Computed tomography, abdomen; axial view; W/L 400/40 HU; 512x512 px
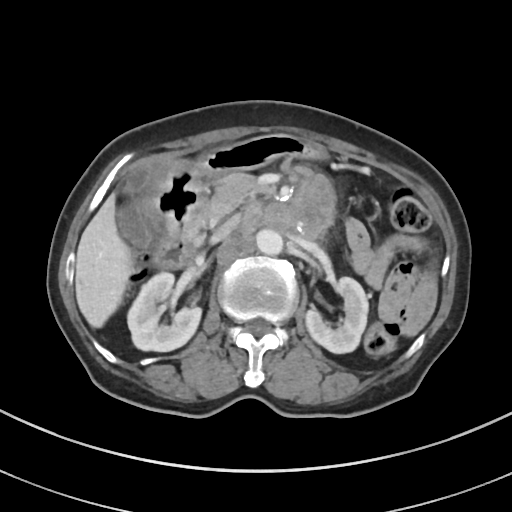 Boxes are (x1, y1, x2, y2) in pixels.
right kidney: (127, 272, 201, 351)
left kidney: (305, 277, 368, 353)
gall bladder: (118, 167, 152, 248)
liver: (75, 194, 133, 327)
stomach: (142, 134, 326, 241)
aorta: (256, 229, 283, 255)
inferior vena cava: (216, 217, 238, 239)
pancreas: (197, 173, 257, 233)
duodenum: (156, 241, 200, 268)